Lower-chest slice from an abdominal CT, just above the liver and spleen — axial view — acquired on SOMATOM Force — 15 organs annotated in this scan (counted over the whole 3D scan, not this slice; an organ is boxed only where this slice passes through it)
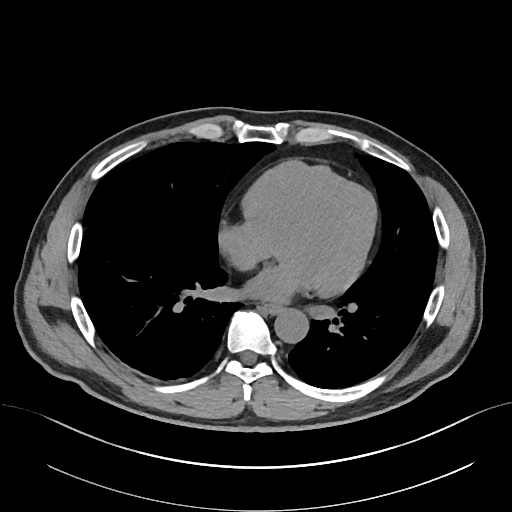

No part of the heart or lungs is labeled in this dataset, so neither has a box here.
Bounding boxes in pixels, one row per box: x1, y1 is the top-left corner and x2, y2 the bottom-right.
| organ | x1 | y1 | x2 | y2 |
|---|---|---|---|---|
| aorta | 274 | 308 | 308 | 343 |
| esophagus | 262 | 304 | 281 | 313 |